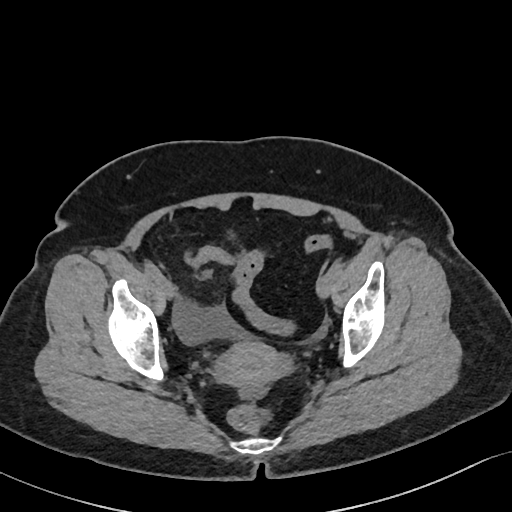 Abdominal CT — axial view — soft-tissue window (W 400 / L 40)
Bounding boxes as [x1, y1, x2, y2] in pixel coordinates.
prostate/uterus: [215, 341, 288, 388]